CT abdomen · Axial slice 24/228 · abdomen soft-tissue window · acquired on SOMATOM Force
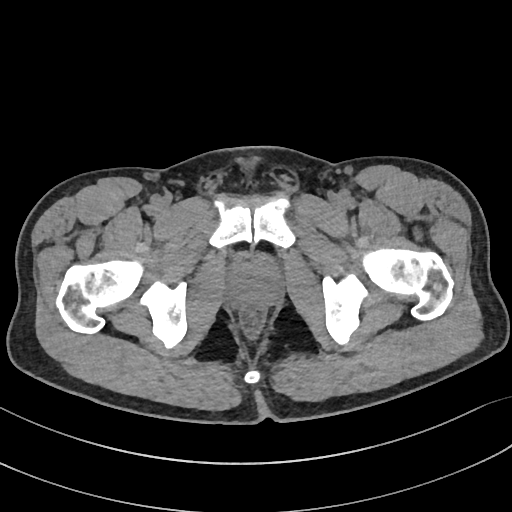 One row per box, in pixels: columns x1 and y1 give the top-left corner, x2 and y2 the bottom-right.
| organ | x1 | y1 | x2 | y2 |
|---|---|---|---|---|
| prostate/uterus | 229 | 260 | 280 | 304 |